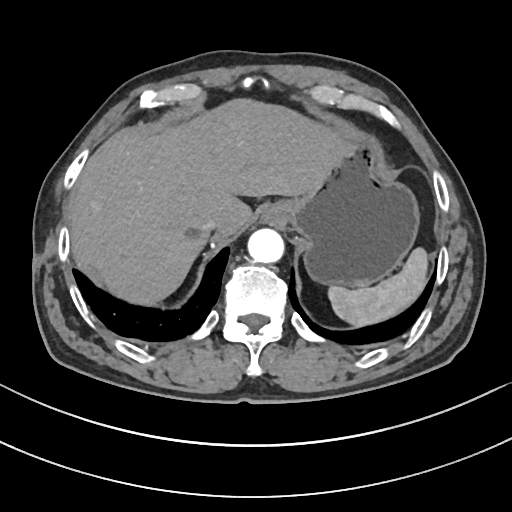
CT, abdomen/pelvis — axial plane, index 173 — 512x512 px
Each box given as x1,y1,x2,y2.
Organ bounding boxes:
- spleen: x1=328, y1=248, x2=427, y2=326
- esophagus: x1=262, y1=203, x2=285, y2=224
- liver: x1=69, y1=99, x2=350, y2=304
- stomach: x1=282, y1=139, x2=419, y2=287
- aorta: x1=247, y1=228, x2=284, y2=263
- inferior vena cava: x1=201, y1=218, x2=218, y2=232